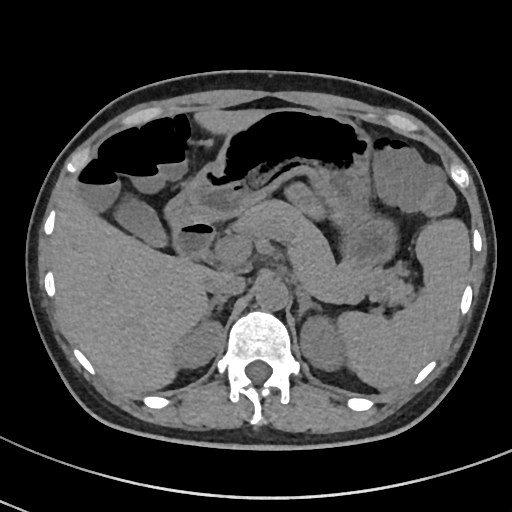

CT abdomen — axial plane, index 172 — soft-tissue window — 512x512 px
One row per box, in pixels: columns x1 and y1 give the top-left corner, x2 and y2 the bottom-right.
| organ | x1 | y1 | x2 | y2 |
|---|---|---|---|---|
| spleen | 337 | 221 | 469 | 388 |
| right kidney | 174 | 318 | 221 | 369 |
| left kidney | 299 | 317 | 342 | 369 |
| gall bladder | 108 | 201 | 164 | 244 |
| liver | 52 | 108 | 260 | 391 |
| stomach | 165 | 107 | 393 | 263 |
| aorta | 255 | 278 | 288 | 310 |
| inferior vena cava | 208 | 273 | 246 | 295 |
| pancreas | 227 | 198 | 409 | 303 |
| right adrenal gland | 203 | 295 | 227 | 317 |
| left adrenal gland | 297 | 286 | 321 | 314 |
| duodenum | 163 | 205 | 215 | 262 |